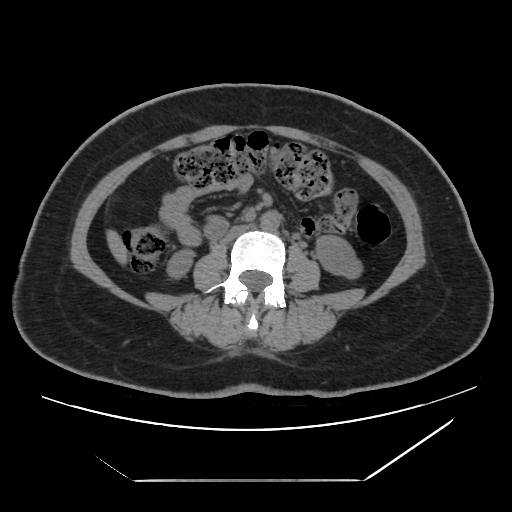 Computed tomography, abdomen — axial view
<organs><organ name="right kidney" x1="167" y1="249" x2="194" y2="278"/><organ name="left kidney" x1="316" y1="235" x2="362" y2="278"/><organ name="liver" x1="106" y1="230" x2="127" y2="264"/><organ name="aorta" x1="260" y1="211" x2="280" y2="231"/><organ name="inferior vena cava" x1="222" y1="225" x2="250" y2="242"/></organs>